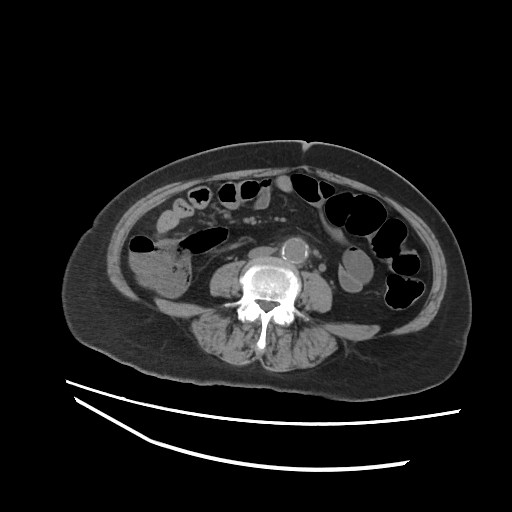
CT, abdomen/pelvis — axial view
Boxes: x1 y1 x2 y2 (pixel coords, space-separated). The annotated organs in this slice are: aorta at 281 238 307 262, inferior vena cava at 248 247 274 258.